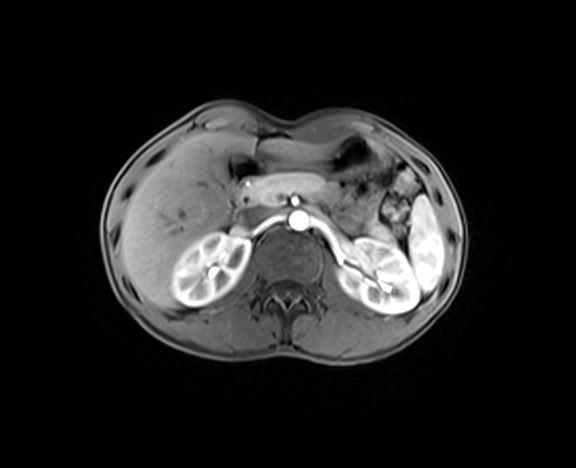

Abdominal MR; Axial slice 37/72; percentile-normalized
Boxes: x1 y1 x2 y2 (pixel coords, space-separated). Labeled organs on this slice: spleen at 408 196 444 291, right kidney at 171 233 250 306, left kidney at 338 238 418 313, liver at 119 132 331 307, stomach at 256 135 381 176, aorta at 288 212 309 231, inferior vena cava at 239 207 271 228, pancreas at 245 172 394 241, duodenum at 222 153 266 220.